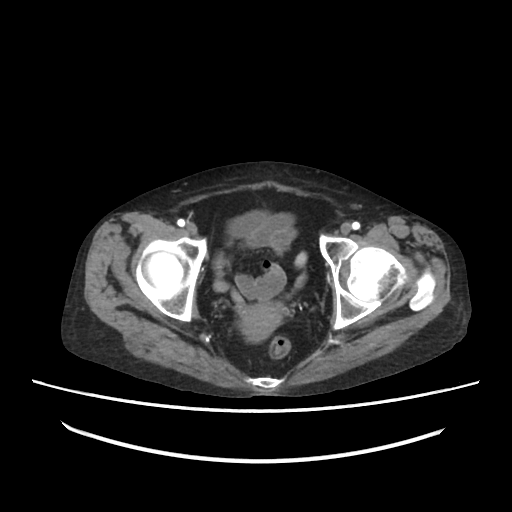

Abdominal CT; Axial slice 18/89; W/L 400/40 HU; 512x512 px
Boxes are (x1, y1, x2, y2) in pixels.
Organ bounding boxes:
- prostate/uterus: (241, 303, 281, 339)